CT, abdomen/pelvis — axial view — soft-tissue window (W 400 / L 40) — 512x512 px — acquired on SOMATOM Force — scan has 15 labeled organs (a whole-scan count: organs this slice does not pass through have no box)
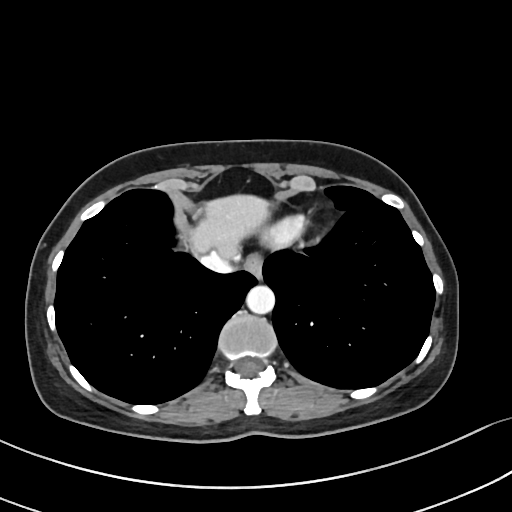 Bounding boxes as [x1, y1, x2, y2] in pixel coordinates.
inferior vena cava: [203, 254, 231, 272]
esophagus: [245, 254, 263, 279]
liver: [191, 193, 270, 258]
aorta: [246, 285, 274, 313]